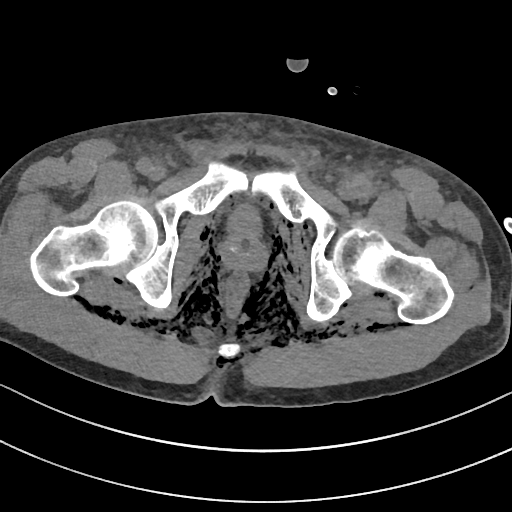
CT abdomen — axial view — 512x512 px
Boxes: x1:y1:x2:y2 in pixels.
bladder: 229:207:259:233
prostate/uterus: 222:231:266:270